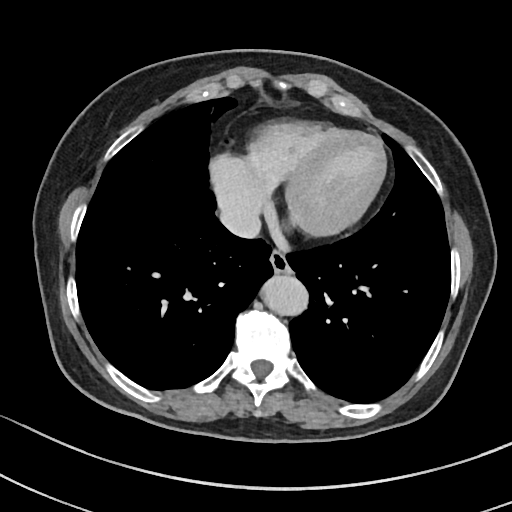

Lower-chest slice from an abdominal CT, just above the liver and spleen — axial view — SOMATOM Force scanner — 15 organs annotated in this scan (counted over the whole 3D scan, not this slice; an organ is boxed only where this slice passes through it)
No part of the heart or lungs is labeled in this dataset, so neither has a box here.
Bounding boxes as [x1, y1, x2, y2] in pixel coordinates.
Organ bounding boxes:
- esophagus: [270, 252, 290, 274]
- inferior vena cava: [219, 204, 259, 238]
- aorta: [264, 275, 309, 316]